Lower-chest slice from an abdominal CT, just above the liver and spleen — axial view — W/L 400/40 HU — 61-year-old male patient
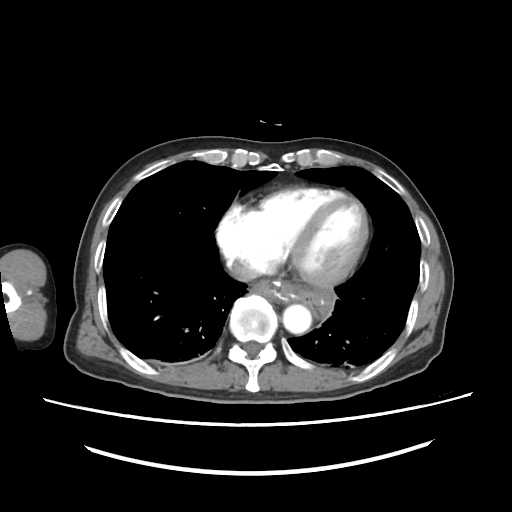

The heart and lungs are never labeled in this dataset, so they have no box on this slice.
Box edges are left/top/right/bottom in pixels.
Organ bounding boxes:
- esophagus: left=251, top=281, right=288, bottom=304
- aorta: left=284, top=305, right=310, bottom=333
- inferior vena cava: left=229, top=263, right=261, bottom=282